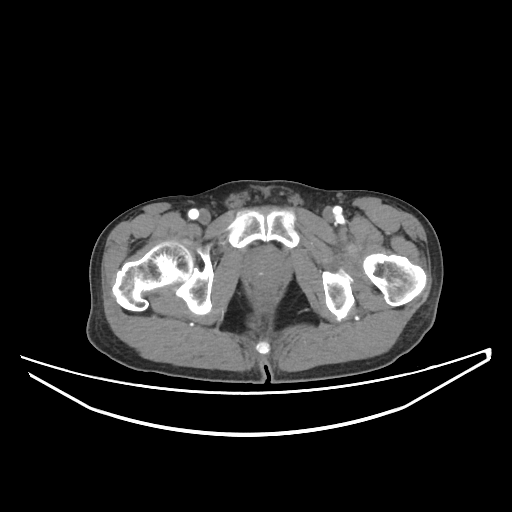 CT, abdomen/pelvis — axial view — 512x512 px — scan has 15 labeled organs (a whole-scan count: organs this slice does not pass through have no box)
Boxes are (x1, y1, x2, y2) in pixels.
Organ bounding boxes:
- prostate/uterus: (244, 249, 288, 287)